CT, abdomen/pelvis. axial view. soft-tissue window. 512x512 px. 45-year-old female patient. Aquilion ONE scanner. scan has 15 labeled organs (a whole-scan count: organs this slice does not pass through have no box)
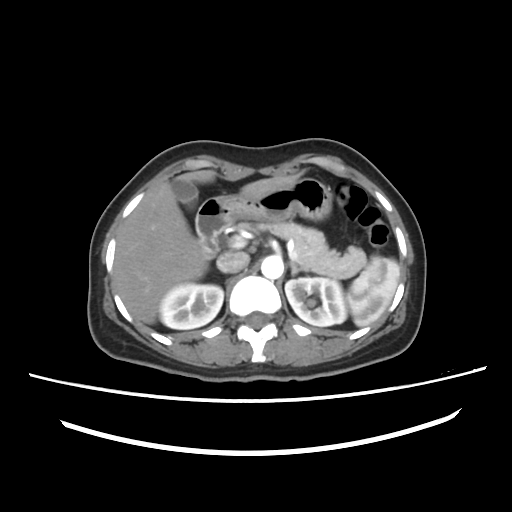 Bounding boxes as [x1, y1, x2, y2] in pixel coordinates.
liver: [114, 170, 299, 323]
left adrenal gland: [289, 261, 303, 275]
duodenum: [196, 199, 234, 255]
stomach: [211, 177, 332, 221]
pancreas: [240, 221, 366, 278]
right kidney: [159, 283, 223, 329]
left kidney: [285, 277, 347, 326]
inferior vena cava: [216, 251, 249, 273]
aorta: [261, 255, 283, 279]
spleen: [348, 256, 399, 326]
gall bladder: [171, 179, 197, 209]